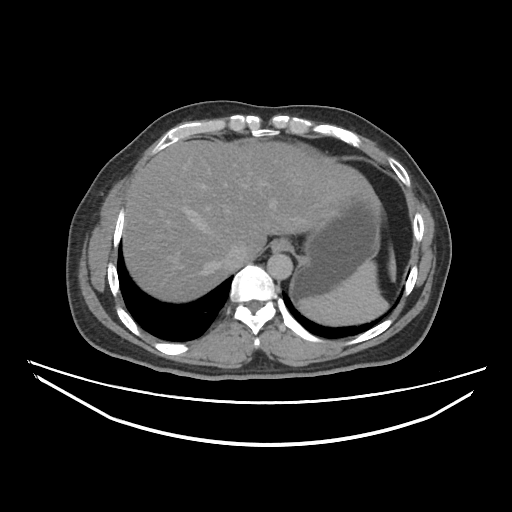 Computed tomography, abdomen. axial view. 512x512 px
<organs><organ name="spleen" x1="296" y1="260" x2="390" y2="325"/><organ name="esophagus" x1="270" y1="239" x2="285" y2="252"/><organ name="liver" x1="121" y1="140" x2="396" y2="303"/><organ name="stomach" x1="293" y1="197" x2="379" y2="299"/><organ name="aorta" x1="267" y1="253" x2="293" y2="280"/><organ name="inferior vena cava" x1="220" y1="244" x2="245" y2="267"/></organs>